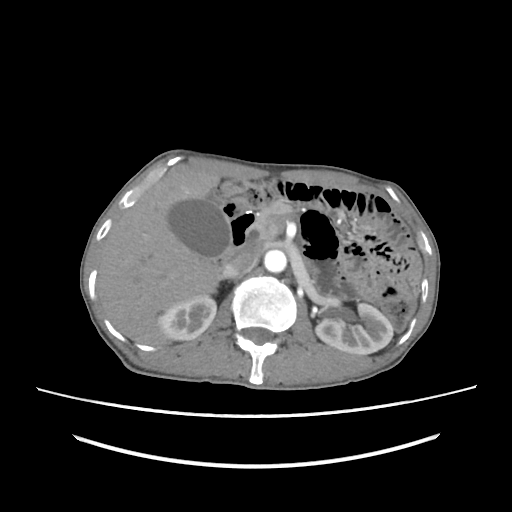
CT, abdomen/pelvis; axial view; soft-tissue window (W 400 / L 40); 512x512 px; 15 organs annotated in this scan (counted over the whole 3D scan, not this slice; an organ is boxed only where this slice passes through it)
Box edges are left/top/right/bottom in pixels.
right kidney: left=158, top=295, right=216, bottom=340
left kidney: left=315, top=303, right=393, bottom=354
gall bladder: left=168, top=199, right=228, bottom=257
liver: left=97, top=174, right=220, bottom=345
aorta: left=264, top=249, right=287, bottom=272
inferior vena cava: left=222, top=246, right=259, bottom=277
pancreas: left=252, top=202, right=293, bottom=242
duodenum: left=216, top=211, right=255, bottom=263